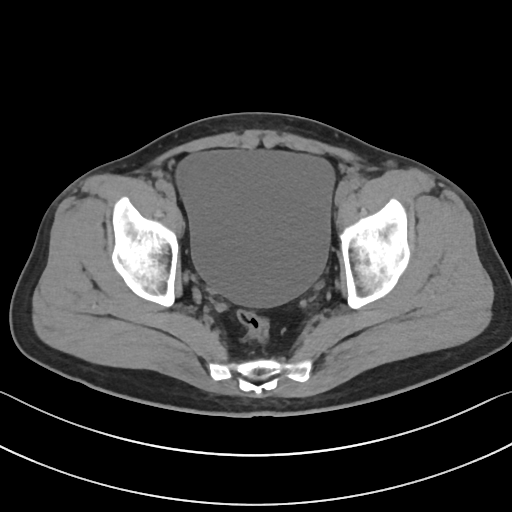 CT abdomen. axial view. 512x512 px. acquired on SOMATOM Force
One row per box, in pixels: columns x1 and y1 give the top-left corner, x2 and y2 the bottom-right.
| organ | x1 | y1 | x2 | y2 |
|---|---|---|---|---|
| bladder | 177 | 150 | 334 | 307 |